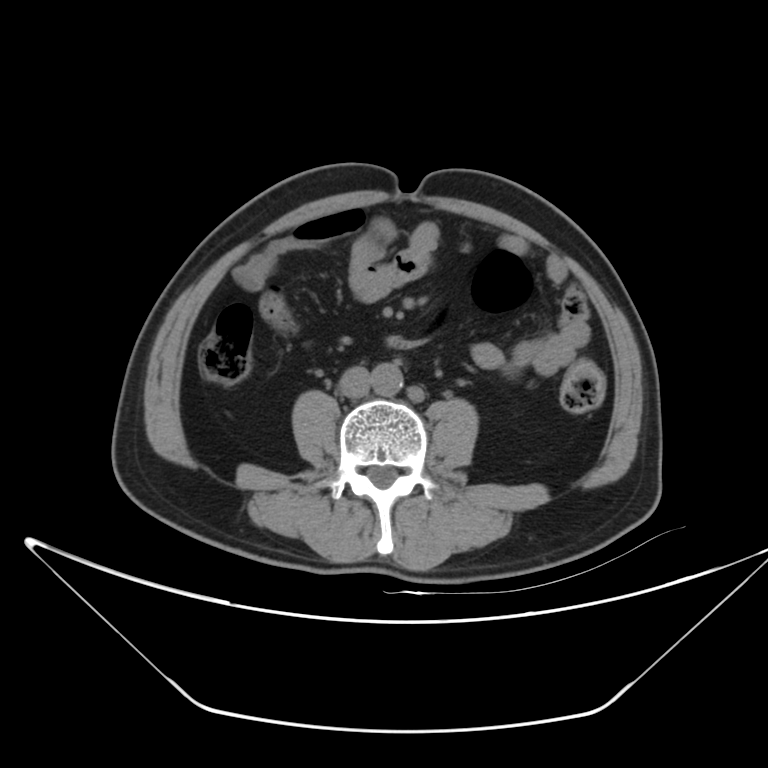

Abdominal CT. axial view. soft-tissue window. scan has 14 labeled organs (that count is for the whole scan; organs this slice misses have no box)
Boxes: x1:y1:x2:y2 in pixels. The annotated organs in this slice are: aorta at 370:363:403:396, inferior vena cava at 339:366:369:397.